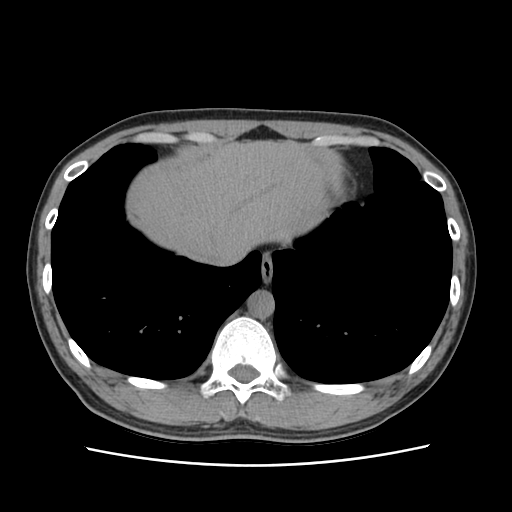 Abdominal CT — axial view — abdomen soft-tissue window — acquired on SOMATOM Force
Boxes: x1 y1 x2 y2 (pixel coords, space-separated).
Organ bounding boxes:
- liver: 127 140 325 260
- inferior vena cava: 202 236 247 265
- aorta: 247 290 274 318
- esophagus: 260 253 273 282